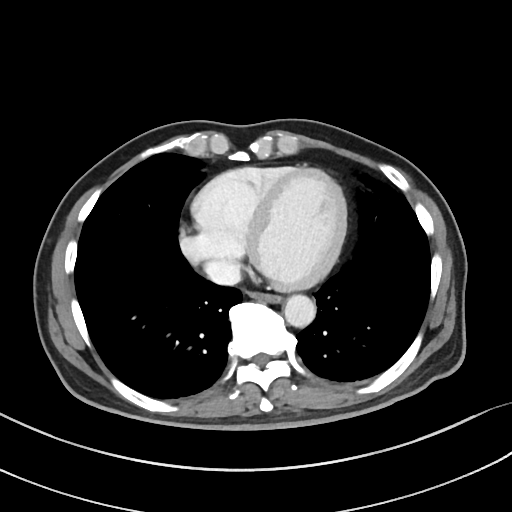 Abdominal CT; this slice is in the lower chest, just above the liver — Axial slice 86/128 — soft-tissue window, W/L 400/40 — SOMATOM Force scanner
The heart and lungs are never labeled in this dataset, so they have no box on this slice.
{"organs":{"aorta":[284,294,315,327],"inferior vena cava":[205,260,241,285],"esophagus":[249,292,280,301]}}